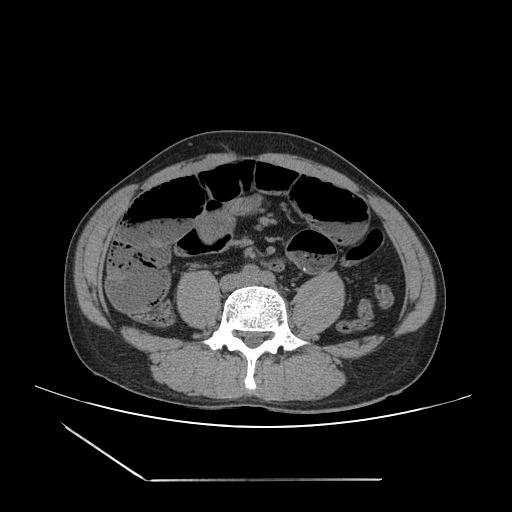 CT, abdomen/pelvis. axial plane, index 82. 512x512 px
Boxes: x1:y1:x2:y2 in pixels. The annotated organs in this slice are: inferior vena cava at 221:274:249:289.